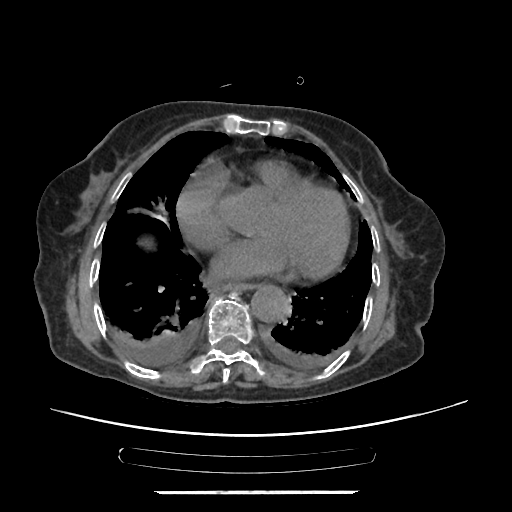 Abdominal CT; this slice is in the lower chest, just above the liver · axial view · soft-tissue window (W 400 / L 40) · 512x512 px · SOMATOM Force scanner · scan has 14 labeled organs (a whole-scan count: organs this slice does not pass through have no box)
The heart and lungs are never labeled in this dataset, so they have no box on this slice.
{"organs":{"esophagus":[223,284,253,291],"aorta":[251,285,290,322]}}